CT abdomen — axial view — soft-tissue window (W 400 / L 40)
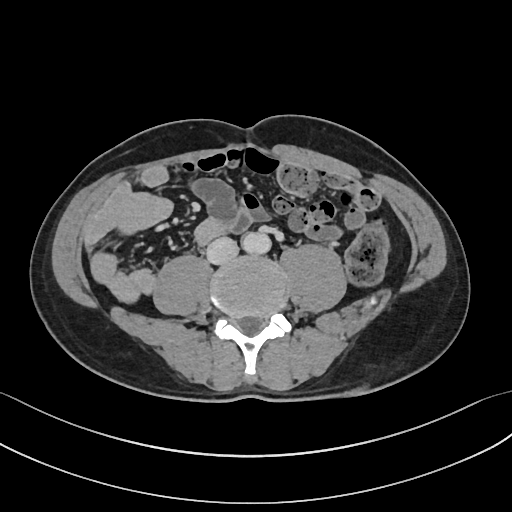
Each box given as x1,y1,x2,y2.
inferior vena cava: x1=206, y1=237, x2=238, y2=265
aorta: x1=242, y1=232, x2=270, y2=255